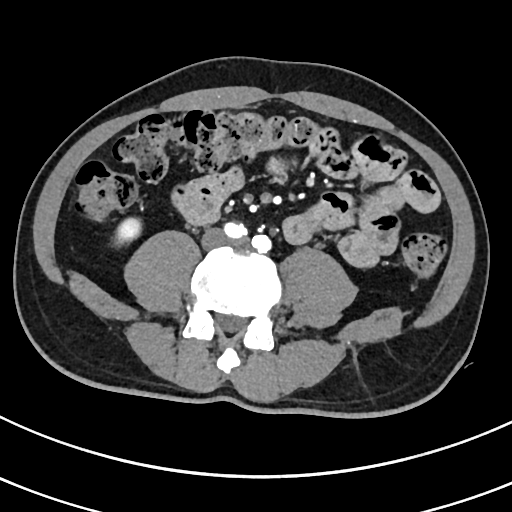

Abdominal CT. axial view. 512x512 px. SOMATOM Force scanner
One row per box, in pixels: columns x1 and y1 give the top-left corner, x2 and y2 the bottom-right.
| organ | x1 | y1 | x2 | y2 |
|---|---|---|---|---|
| right kidney | 115 | 219 | 140 | 240 |